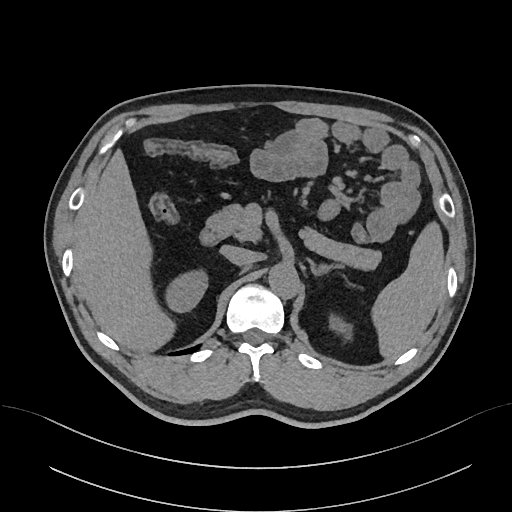
Computed tomography, abdomen · axial view · W/L 400/40 HU
<organs><organ name="spleen" x1="371" y1="222" x2="444" y2="357"/><organ name="right kidney" x1="164" y1="269" x2="207" y2="312"/><organ name="left kidney" x1="329" y1="314" x2="352" y2="338"/><organ name="liver" x1="74" y1="149" x2="175" y2="350"/><organ name="aorta" x1="268" y1="263" x2="299" y2="298"/><organ name="inferior vena cava" x1="220" y1="245" x2="255" y2="265"/><organ name="pancreas" x1="206" y1="204" x2="381" y2="270"/><organ name="left adrenal gland" x1="310" y1="262" x2="348" y2="275"/><organ name="duodenum" x1="200" y1="228" x2="221" y2="245"/></organs>